CT, abdomen/pelvis — Axial slice 25/107 — 47-year-old male patient
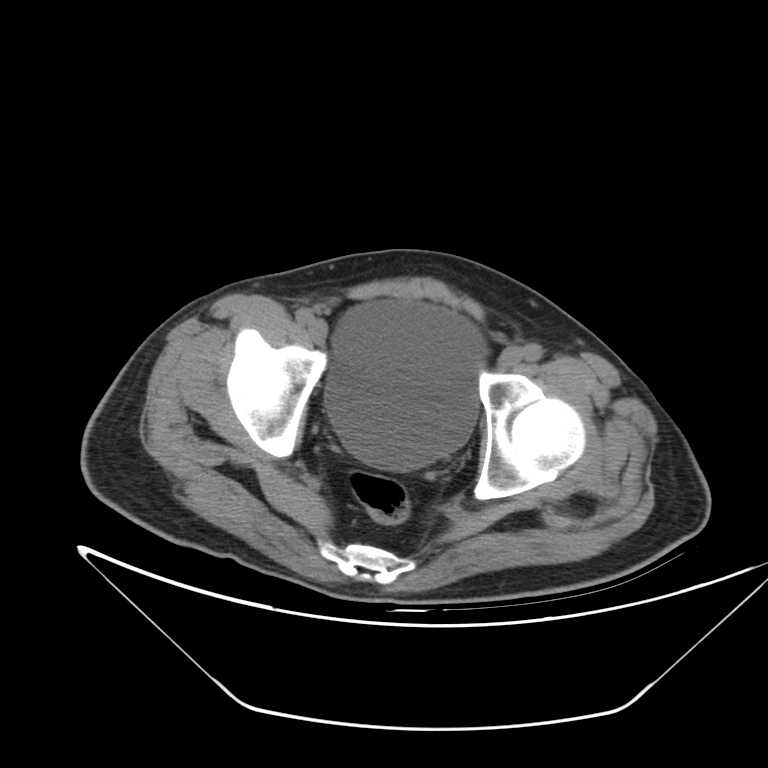 Boxes: x1 y1 x2 y2 (pixel coords, space-separated).
bladder: 326 298 479 471